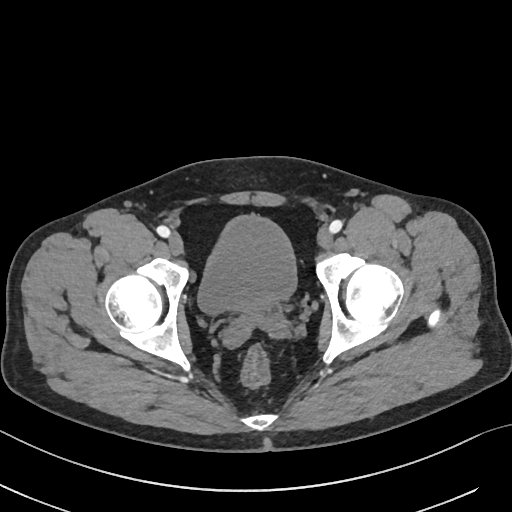 Computed tomography, abdomen — axial view — abdomen soft-tissue window
{"organs":{"bladder":[198,215,296,314]}}